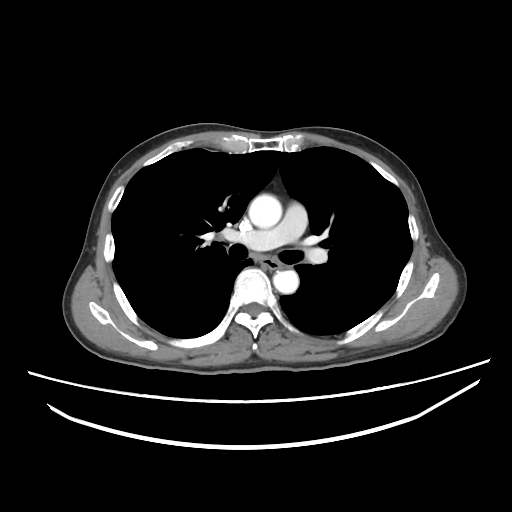 Chest-level CT slice, above the liver and spleen. axial view. 13 organs annotated in this scan (a whole-scan count: organs this slice does not pass through have no box)
On a slice this high in the chest, this dataset labels only the esophagus and the aorta, and each is boxed only where it is labeled; the heart, lungs and other chest structures are not labeled.
{"organs":{"esophagus":[259,259,279,268],"aorta":[[248,194,282,228],[273,270,298,293]]}}